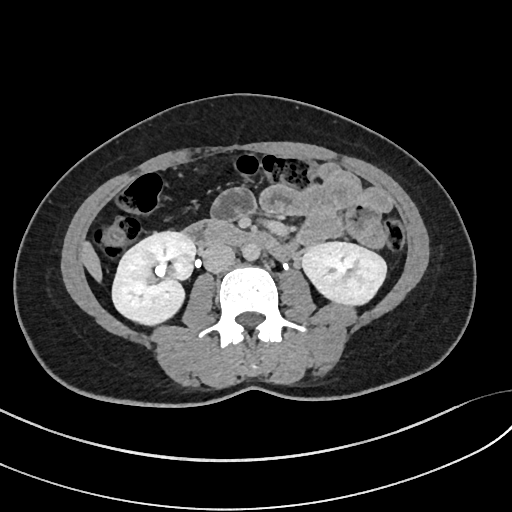
Abdominal CT · axial view · 15 organs annotated in this scan (that count is for the whole scan; organs this slice misses have no box)
Boxes: x1:y1:x2:y2 in pixels.
right kidney: 112:231:195:325
left kidney: 302:242:386:305
liver: 81:242:102:281
aorta: 242:244:260:261
inferior vena cava: 202:244:234:272
duodenum: 182:220:299:260